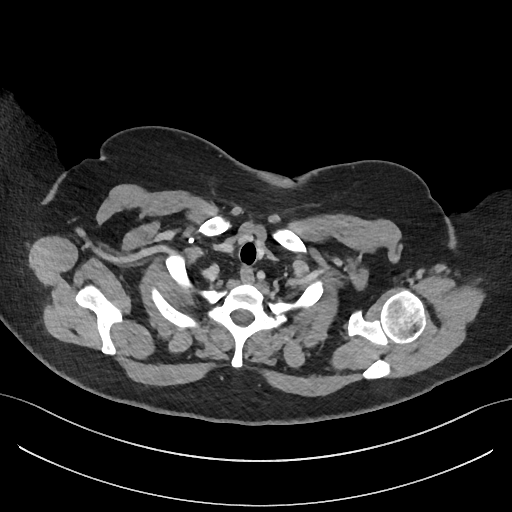
Chest-level CT slice, above the liver and spleen · axial plane, index 291 · soft-tissue window (W 400 / L 40) · acquired on SOMATOM Force
On a slice this high in the chest, this dataset labels only the esophagus and the aorta, and each is boxed only where it is labeled; the heart, lungs and other chest structures are not labeled.
Bounding boxes in pixels, one row per box: x1, y1 is the top-left corner and x2, y2 the bottom-right.
| organ | x1 | y1 | x2 | y2 |
|---|---|---|---|---|
| esophagus | 240 | 266 | 255 | 283 |